Computed tomography, abdomen. axial view. soft-tissue window (W 400 / L 40). 15 organs annotated in this scan (counted over the whole 3D scan, not this slice; an organ is boxed only where this slice passes through it)
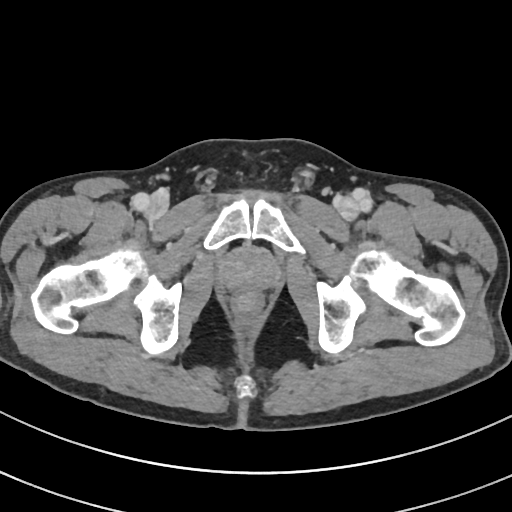 Boxes are (x1, y1, x2, y2) in pixels.
prostate/uterus: (221, 249, 277, 289)